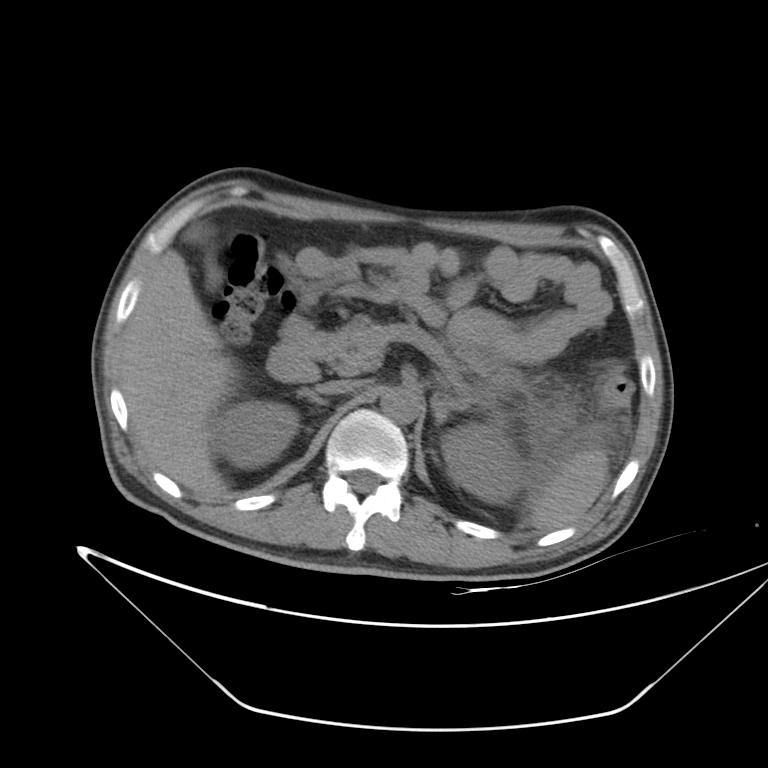
CT, abdomen/pelvis · axial view · 768x768 px · scan has 15 labeled organs (a whole-scan count: organs this slice does not pass through have no box)
One row per box, in pixels: columns x1 and y1 give the top-left corner, x2 and y2 the bottom-right.
| organ | x1 | y1 | x2 | y2 |
|---|---|---|---|---|
| spleen | 527 | 450 | 608 | 530 |
| right kidney | 209 | 401 | 299 | 469 |
| left kidney | 442 | 422 | 522 | 503 |
| liver | 119 | 249 | 238 | 498 |
| aorta | 381 | 387 | 420 | 424 |
| inferior vena cava | 316 | 379 | 360 | 393 |
| pancreas | 307 | 315 | 519 | 393 |
| right adrenal gland | 306 | 393 | 327 | 404 |
| left adrenal gland | 432 | 397 | 469 | 425 |
| duodenum | 267 | 316 | 319 | 382 |